CT, abdomen/pelvis. axial plane, index 46. 56-year-old male patient. scan has 15 labeled organs (that count is for the whole scan; organs this slice misses have no box)
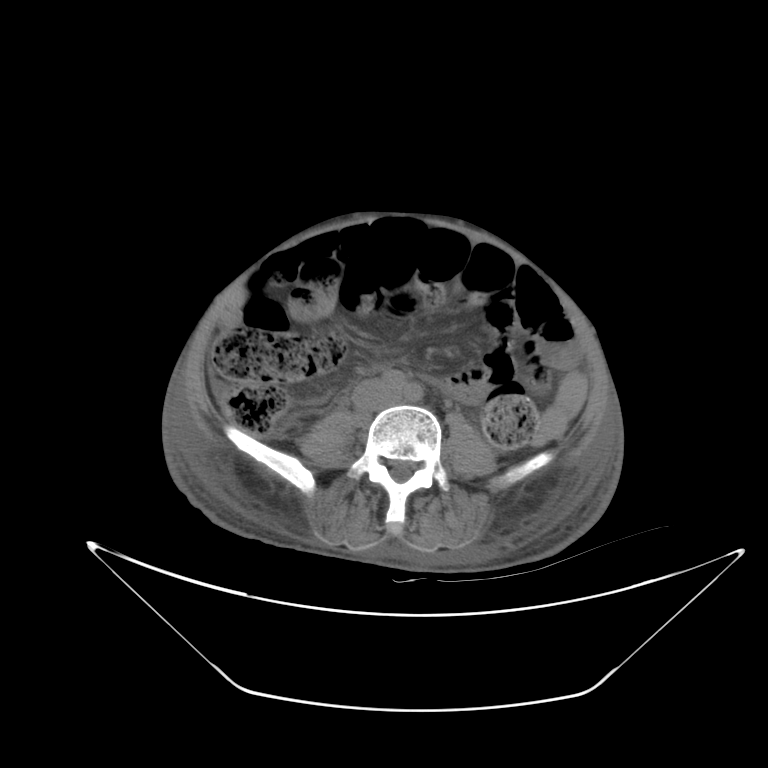
Bounding boxes in pixels, one row per box: x1, y1 is the top-left corner and x2, y2 the bottom-right.
| organ | x1 | y1 | x2 | y2 |
|---|---|---|---|---|
| inferior vena cava | 351 | 379 | 398 | 411 |